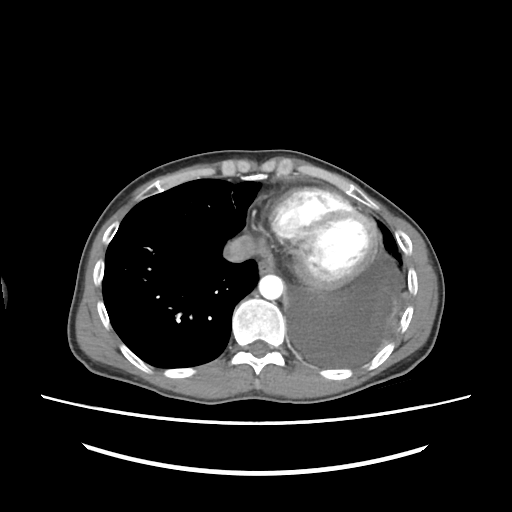

Abdominal CT; this slice is in the lower chest, just above the liver; axial plane, index 82; 15 organs annotated in this scan (a whole-scan count: organs this slice does not pass through have no box)
Of the structures in the chest, this dataset labels only the esophagus, the aorta and the inferior vena cava; the heart and lungs have no label.
Boxes: x1 y1 x2 y2 (pixel coords, space-separated).
aorta: 258 274 284 300
esophagus: 258 259 272 273
inferior vena cava: 225 235 255 262